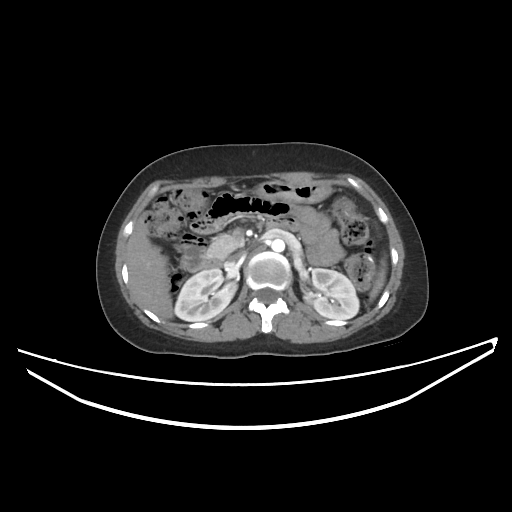 CT abdomen. axial view
Bounding boxes in pixels, one row per box: x1, y1 is the top-left corner and x2, y2 the bottom-right.
| organ | x1 | y1 | x2 | y2 |
|---|---|---|---|---|
| duodenum | 202 | 214 | 299 | 269 |
| left kidney | 304 | 268 | 359 | 319 |
| pancreas | 207 | 234 | 243 | 258 |
| right kidney | 174 | 268 | 237 | 321 |
| aorta | 271 | 239 | 284 | 252 |
| inferior vena cava | 232 | 252 | 242 | 258 |
| liver | 127 | 219 | 172 | 319 |
| stomach | 255 | 180 | 331 | 203 |
| spleen | 371 | 268 | 385 | 296 |